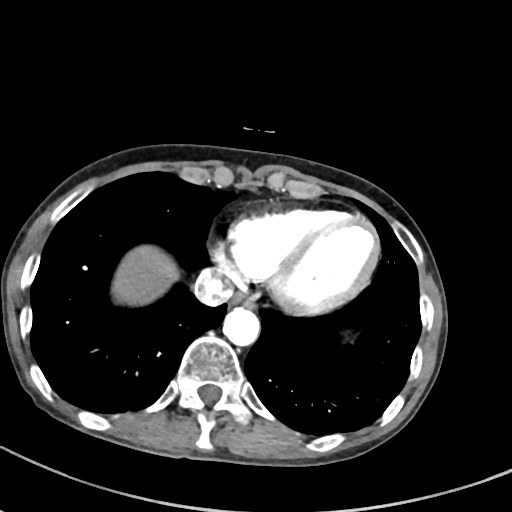

CT abdomen — axial view — acquired on SOMATOM Force
Boxes: x1:y1:x2:y2 in pixels.
Organ bounding boxes:
- esophagus: 231:292:254:307
- aorta: 223:307:259:345
- liver: 112:245:178:305
- inferior vena cava: 193:271:233:305